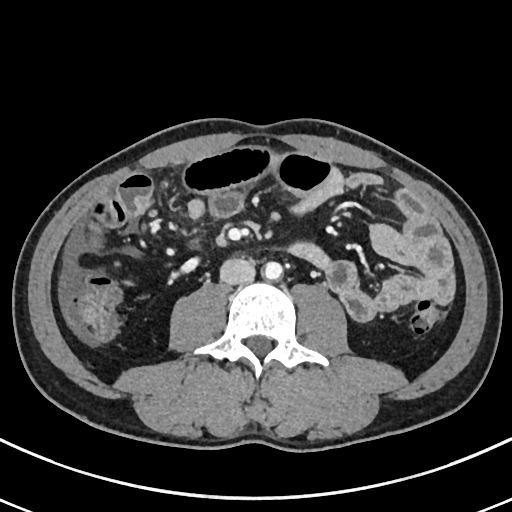 Abdominal CT · axial plane, index 107 · soft-tissue window (W 400 / L 40) · scan has 15 labeled organs (counted over the whole 3D scan, not this slice; an organ is boxed only where this slice passes through it)
Boxes: x1 y1 x2 y2 (pixel coords, space-separated). Labeled organs on this slice: aorta at 263 262 282 280, inferior vena cava at 220 258 255 284.